CT, abdomen/pelvis — Axial slice 80/95 — Brilliance16 scanner — scan has 15 labeled organs (that count is for the whole scan; organs this slice misses have no box)
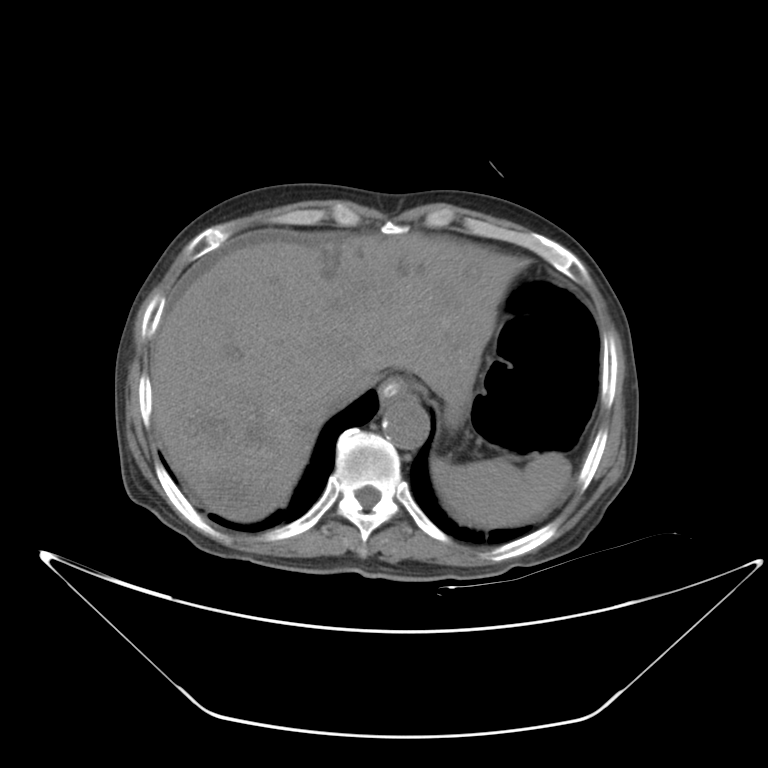
Bounding boxes as [x1, y1, x2, y2] in pixel coordinates. Labeled organs on this slice: inferior vena cava at [325, 383, 364, 413], liver at [150, 232, 523, 521], esophagus at [379, 377, 406, 403], spleen at [431, 452, 571, 528], aorta at [382, 398, 429, 449], stomach at [444, 398, 472, 430].